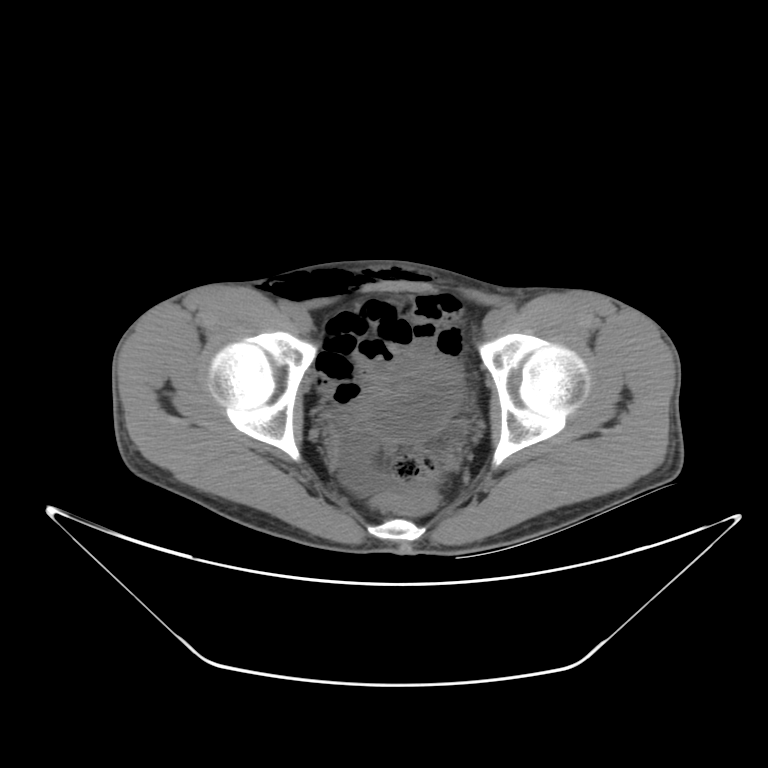

Computed tomography, abdomen — Axial slice 20/95 — 768x768 px — 33-year-old male patient — 15 organs annotated in this scan (that count is for the whole scan; organs this slice misses have no box)
Coordinates as <box>x1,y1,x2,y2</box> in pixels.
Organ bounding boxes:
- bladder: <box>365,361,460,437</box>